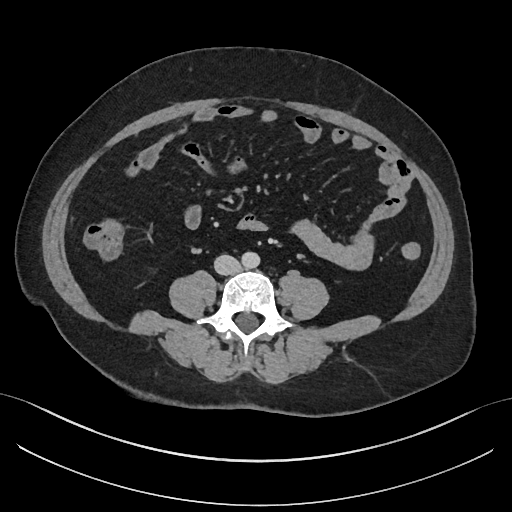

CT abdomen · axial plane, index 107 · 512x512 px · SOMATOM Force scanner
<organs><organ name="aorta" x1="241" y1="251" x2="259" y2="268"/><organ name="inferior vena cava" x1="214" y1="254" x2="238" y2="275"/></organs>